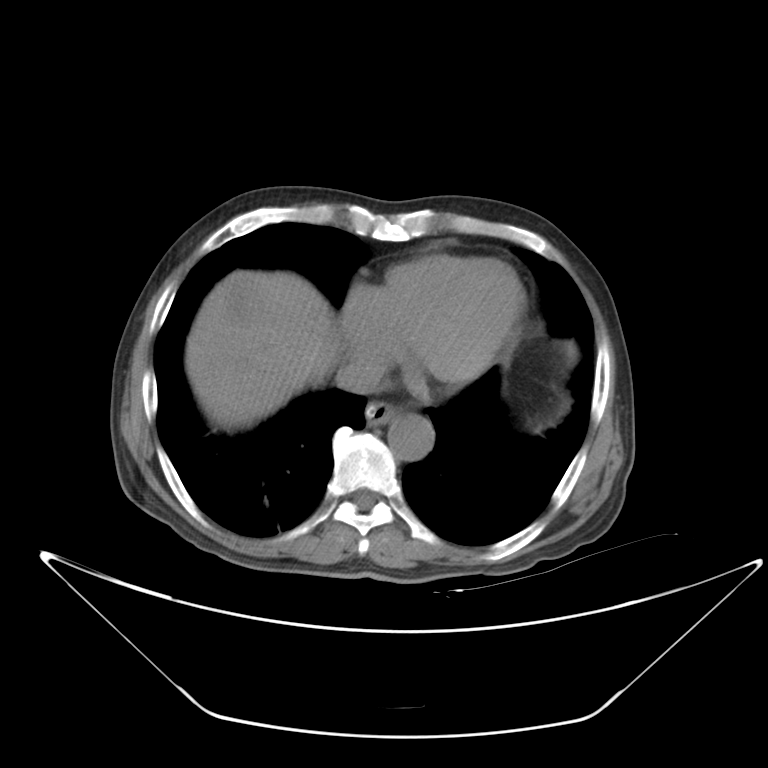 Abdominal CT — Axial slice 86/95
<organs><organ name="liver" x1="185" y1="269" x2="340" y2="426"/><organ name="inferior vena cava" x1="335" y1="357" x2="383" y2="394"/><organ name="aorta" x1="387" y1="414" x2="434" y2="460"/><organ name="esophagus" x1="365" y1="401" x2="399" y2="425"/></organs>